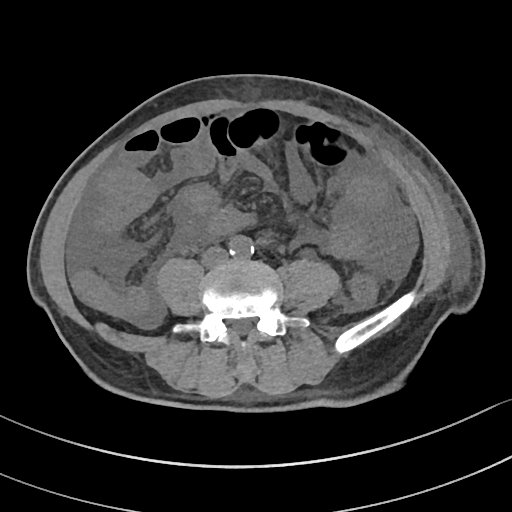 CT, abdomen/pelvis · axial view · abdomen soft-tissue window · 512x512 px · 15 organs annotated in this scan (counted over the whole 3D scan, not this slice; an organ is boxed only where this slice passes through it)
<organs><organ name="aorta" x1="229" y1="236" x2="253" y2="258"/><organ name="inferior vena cava" x1="202" y1="248" x2="227" y2="266"/></organs>